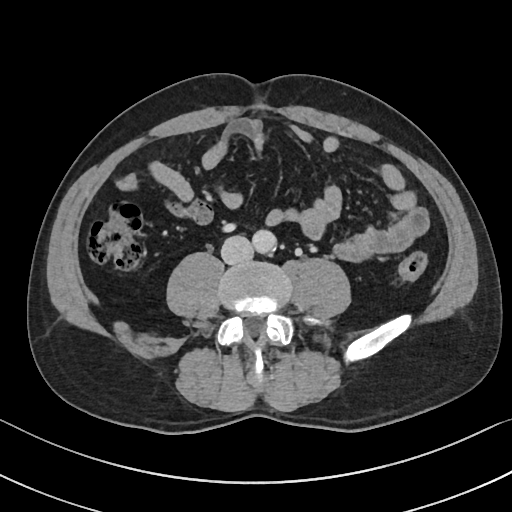
Abdominal CT. axial view. 512x512 px. SOMATOM Force scanner
{"organs":{"inferior vena cava":[221,235,254,264],"aorta":[252,230,277,253]}}